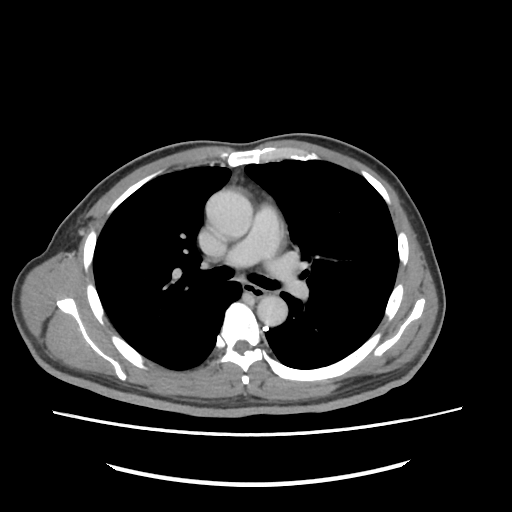

Chest-level slice from an abdominal CT that extends up into the chest · Axial slice 104/123 · 512x512 px · scan has 15 labeled organs (that count is for the whole scan; organs this slice misses have no box)
On a slice this high in the chest, this dataset labels only the esophagus and the aorta, and each is boxed only where it is labeled; the heart, lungs and other chest structures are not labeled.
<organs><organ name="esophagus" x1="246" y1="285" x2="270" y2="298"/><organ name="aorta" x1="205" y1="189" x2="252" y2="238"/><organ name="aorta" x1="257" y1="295" x2="287" y2="326"/></organs>